Abdominal CT. axial view. soft-tissue window (W 400 / L 40). acquired on SOMATOM Force
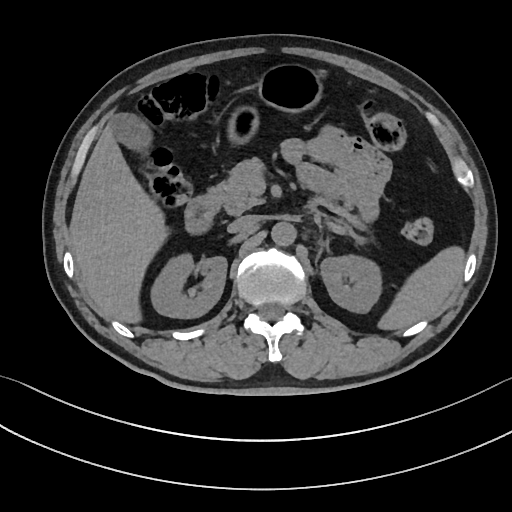

Boxes: x1:y1:x2:y2 in pixels.
spleen: 378:246:465:330
right kidney: 150:253:227:318
left kidney: 320:255:381:313
gall bladder: 109:113:152:149
liver: 69:124:168:323
stomach: 228:63:323:142
aorta: 271:221:296:246
inferior vena cava: 227:215:259:233
pancreas: 210:157:265:215
duodenum: 185:192:218:234